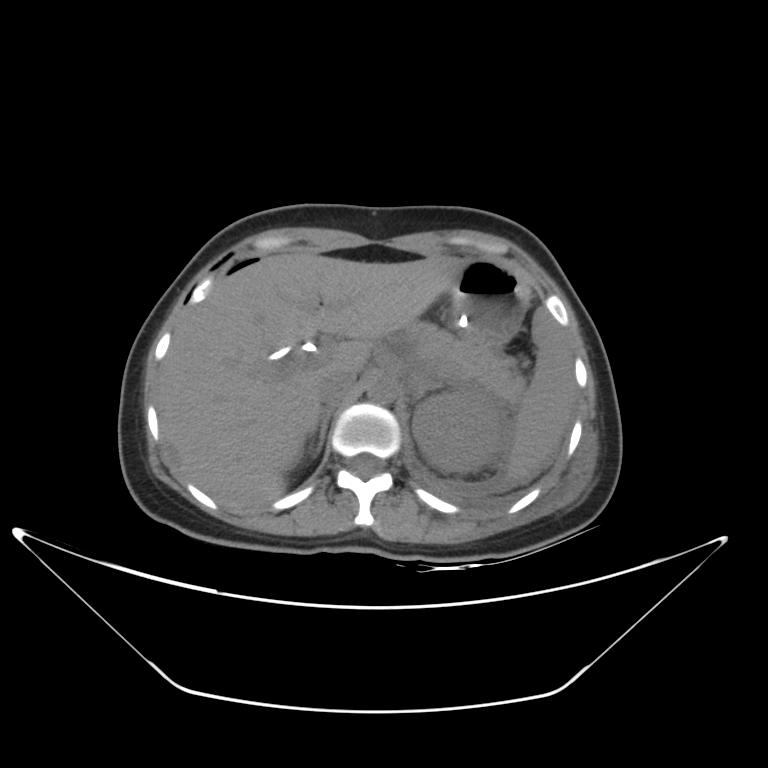 CT, abdomen/pelvis. axial view. soft-tissue window
{"organs":{"spleen":[508,308,574,482],"left kidney":[411,389,506,472],"liver":[157,252,464,512],"stomach":[449,259,528,345],"aorta":[367,378,396,404],"inferior vena cava":[318,373,356,405],"pancreas":[404,321,522,397],"right adrenal gland":[307,401,337,457],"left adrenal gland":[326,379,445,431]}}